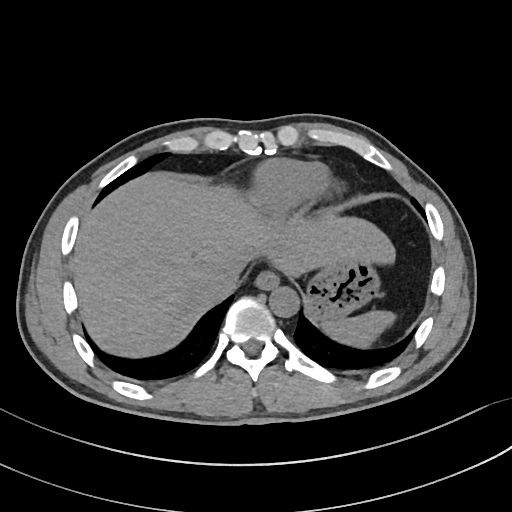 Abdominal CT — axial view — W/L 400/40 HU — 512x512 px
Bounding boxes as [x1, y1, x2, y2] in pixel coordinates. The annotated organs in this slice are: spleen at [321, 311, 394, 349], esophagus at [256, 270, 279, 289], liver at [73, 170, 394, 359], stomach at [304, 262, 377, 320], aorta at [269, 286, 298, 316], inferior vena cava at [203, 265, 239, 300].